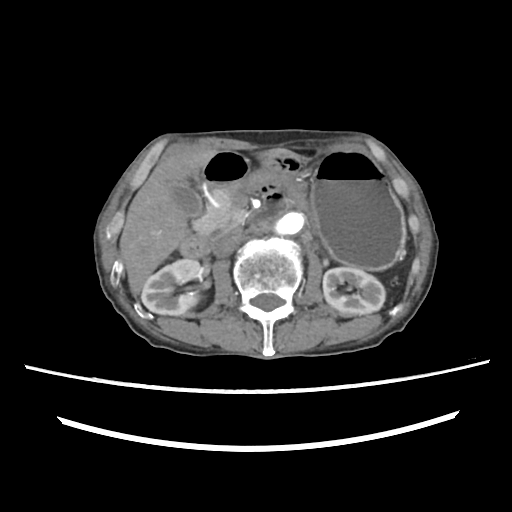
CT abdomen; axial view; W/L 400/40 HU; 81-year-old male patient
Bounding boxes as [x1, y1, x2, y2] in pixel coordinates.
Organ bounding boxes:
- right kidney: [141, 258, 204, 315]
- left kidney: [323, 267, 385, 316]
- gall bladder: [172, 183, 202, 217]
- liver: [119, 148, 292, 294]
- stomach: [312, 150, 405, 268]
- aorta: [272, 211, 303, 237]
- inferior vena cava: [212, 226, 244, 256]
- pancreas: [194, 188, 247, 233]
- duodenum: [180, 152, 249, 257]